CT abdomen. axial plane, index 123
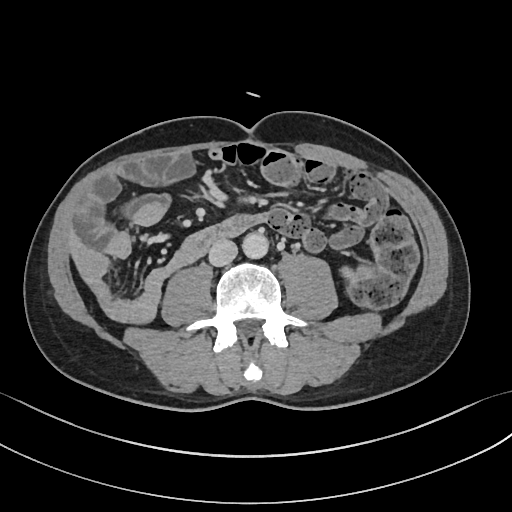 One row per box, in pixels: columns x1 and y1 give the top-left corner, x2 and y2 the bottom-right.
| organ | x1 | y1 | x2 | y2 |
|---|---|---|---|---|
| left kidney | 343 | 268 | 352 | 277 |
| aorta | 242 | 232 | 268 | 258 |
| inferior vena cava | 208 | 239 | 237 | 266 |